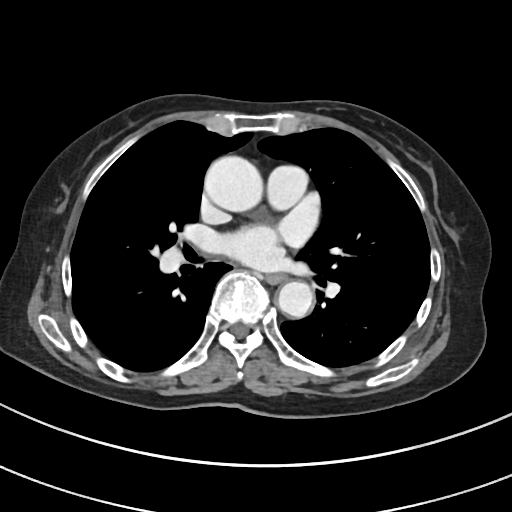

Chest-level CT slice, above the liver and spleen; Axial slice 218/284; 512x512 px; acquired on SOMATOM Force
At this level of the chest this dataset labels only the esophagus and the aorta, and each is boxed only where it is labeled; the heart and lungs are never labeled.
Box edges are left/top/right/bottom in pixels.
esophagus: left=266, top=273, right=286, bottom=283
aorta: left=204, top=156, right=262, bottom=211
aorta: left=277, top=281, right=313, bottom=318